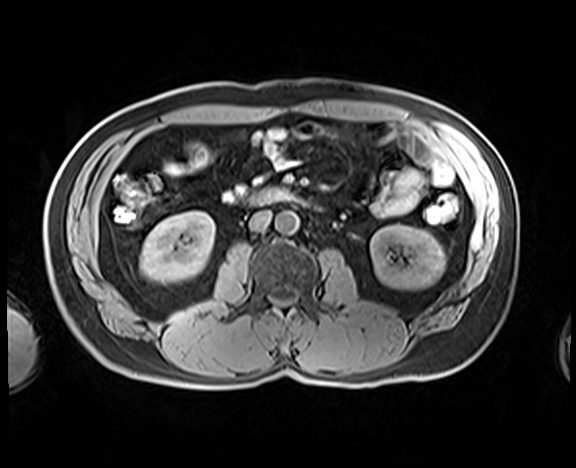 MRI, abdomen. axial plane, index 10. 576x468 px. Prisma scanner. scan has 13 labeled organs (that count is for the whole scan; organs this slice misses have no box)
Boxes: x1 y1 x2 y2 (pixel coords, space-separated).
Organ bounding boxes:
- right kidney: 140 211 215 283
- left kidney: 370 225 445 290
- aorta: 275 211 298 234
- inferior vena cava: 249 210 271 231
- duodenum: 249 188 294 206